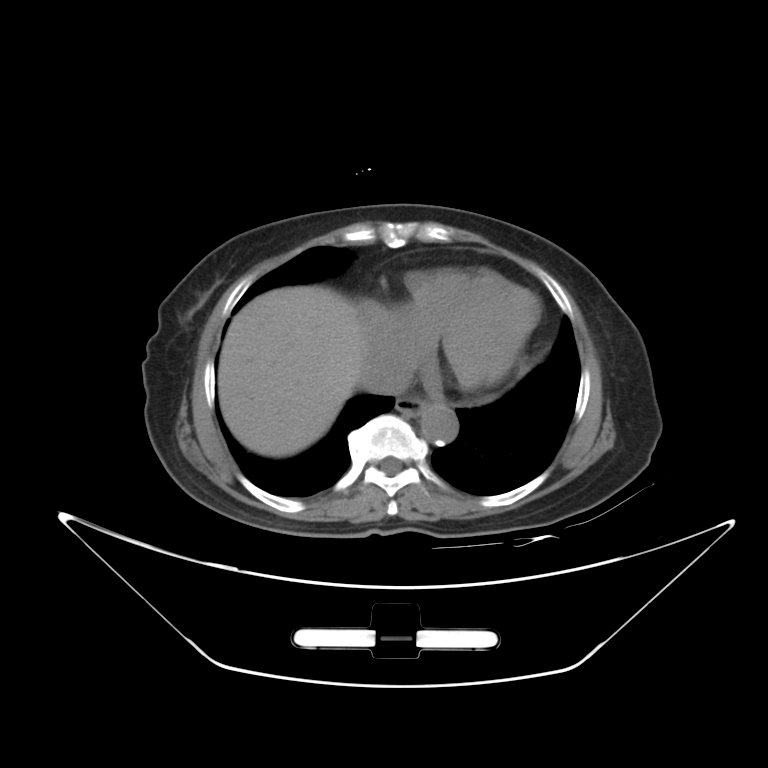 Abdominal CT · axial plane, index 83 · 768x768 px
Bounding boxes as [x1, y1, x2, y2] in pixel coordinates.
Organ bounding boxes:
- inferior vena cava: [358, 359, 409, 395]
- aorta: [420, 405, 457, 445]
- liver: [218, 286, 365, 456]
- esophagus: [395, 395, 428, 415]